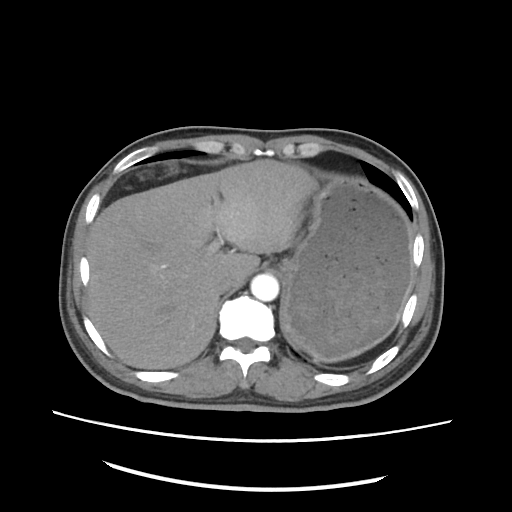
CT abdomen — axial view — 512x512 px — 54-year-old male patient
<organs><organ name="inferior vena cava" x1="215" y1="273" x2="243" y2="294"/><organ name="aorta" x1="251" y1="275" x2="278" y2="302"/><organ name="stomach" x1="279" y1="174" x2="412" y2="359"/><organ name="liver" x1="86" y1="159" x2="317" y2="367"/></organs>